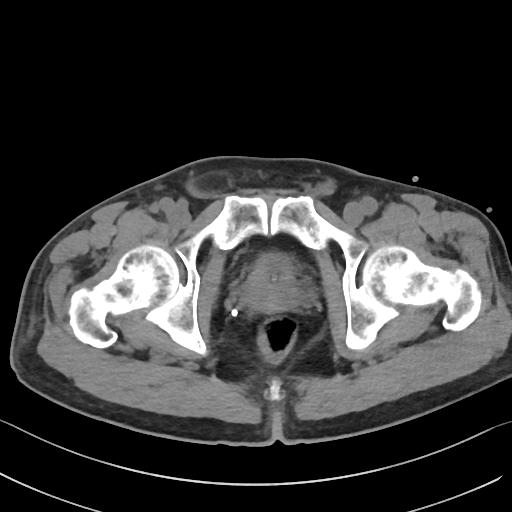
Computed tomography, abdomen — Axial slice 8/100 — 512x512 px
Boxes: x1 y1 x2 y2 (pixel coords, space-separated). 2 labeled organs on this slice — bladder at 258 253 292 275; prostate/uterus at 243 266 294 307.